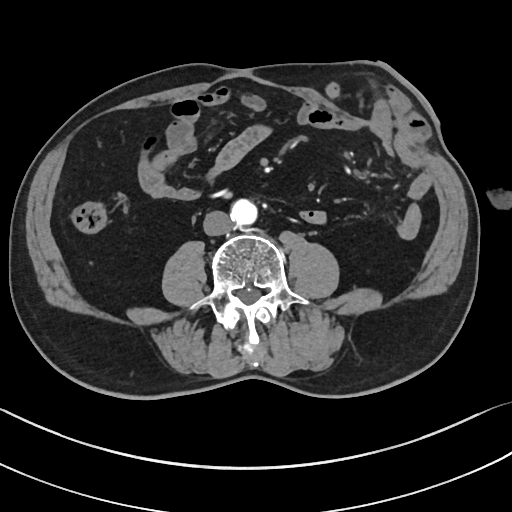 CT abdomen. axial view. W/L 400/40 HU
Boxes are (x1, y1, x2, y2) in pixels.
aorta: (231, 199, 257, 225)
inferior vena cava: (203, 211, 230, 235)